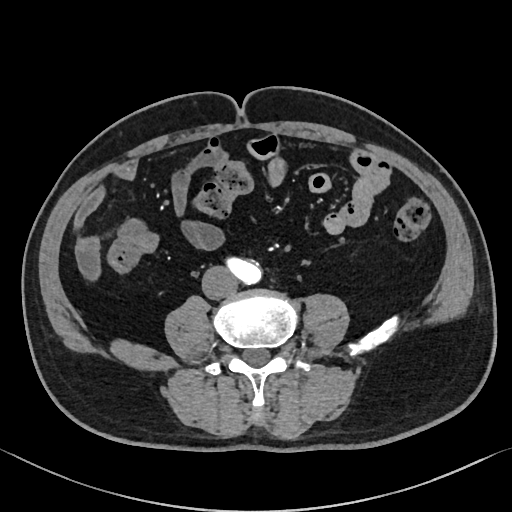

Abdominal CT · axial view · 512x512 px · 15 organs annotated in this scan (a whole-scan count: organs this slice does not pass through have no box)
Boxes are (x1, y1, x2, y2) in pixels.
aorta: (228, 259, 261, 284)
inferior vena cava: (202, 266, 236, 298)